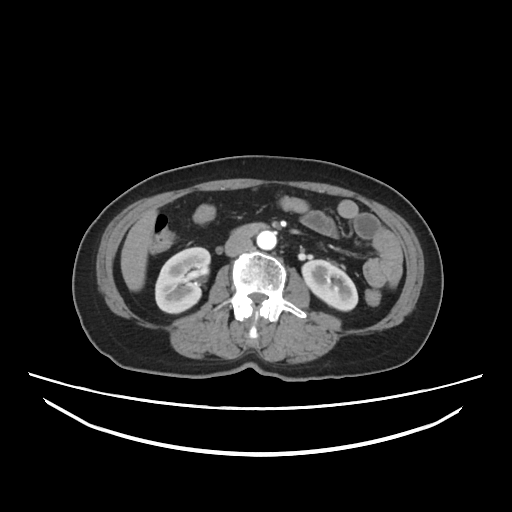 Abdominal CT — axial view — 512x512 px
<organs><organ name="inferior vena cava" x1="225" y1="238" x2="252" y2="256"/><organ name="duodenum" x1="231" y1="223" x2="266" y2="238"/><organ name="right kidney" x1="155" y1="247" x2="210" y2="312"/><organ name="aorta" x1="257" y1="231" x2="277" y2="249"/><organ name="liver" x1="120" y1="210" x2="158" y2="291"/><organ name="left kidney" x1="302" y1="259" x2="357" y2="310"/></organs>